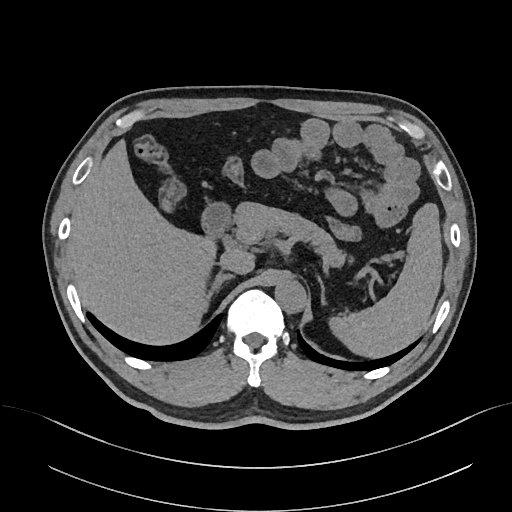
CT, abdomen/pelvis · Axial slice 198/265 · soft-tissue window (W 400 / L 40)
Box edges are left/top/right/bottom in pixels.
Organ bounding boxes:
- spleen: left=330, top=203, right=441, bottom=357
- liver: left=67, top=138, right=257, bottom=343
- aorta: left=275, top=281, right=306, bottom=314
- inferior vena cava: left=219, top=248, right=254, bottom=274
- pancreas: left=235, top=203, right=343, bottom=264
- right adrenal gland: left=210, top=272, right=234, bottom=302
- left adrenal gland: left=318, top=275, right=327, bottom=304
- duodenum: left=200, top=200, right=232, bottom=236